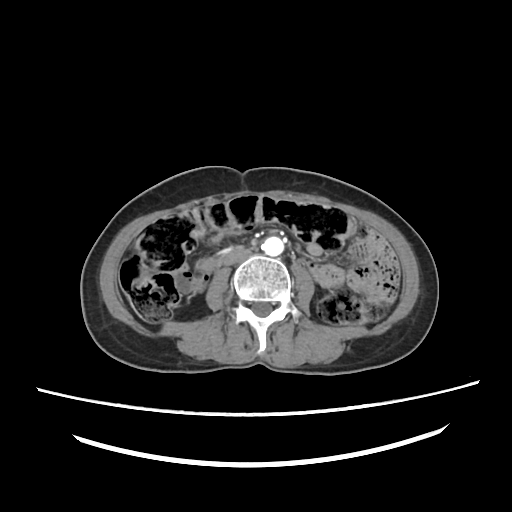

CT, abdomen/pelvis · axial view · W/L 400/40 HU
One row per box, in pixels: columns x1 and y1 give the top-left corner, x2 and y2 the bottom-right.
| organ | x1 | y1 | x2 | y2 |
|---|---|---|---|---|
| aorta | 261 | 236 | 283 | 256 |
| inferior vena cava | 221 | 249 | 251 | 266 |